CT, abdomen/pelvis; axial view
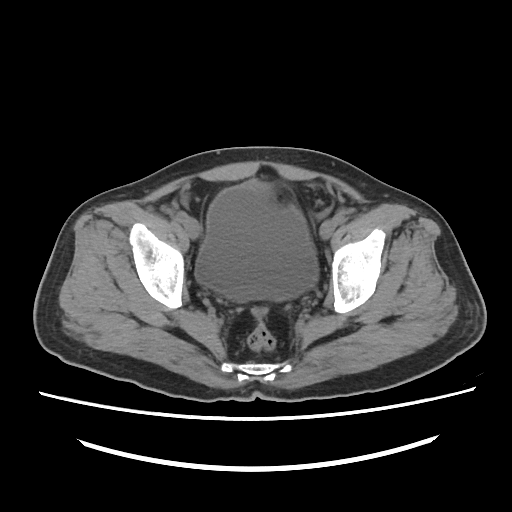

Boxes are (x1, y1, x2, y2) in pixels.
Organ bounding boxes:
- bladder: (195, 183, 318, 301)